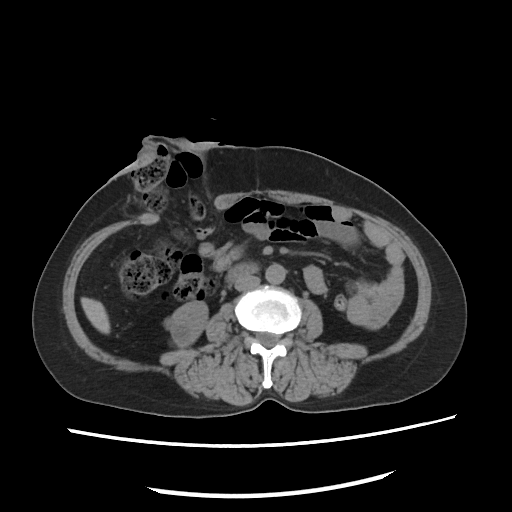 CT abdomen; axial view; soft-tissue window (W 400 / L 40); 56-year-old female patient
One row per box, in pixels: columns x1 and y1 give the top-left corner, x2 and y2 the bottom-right.
| organ | x1 | y1 | x2 | y2 |
|---|---|---|---|---|
| duodenum | 224 | 263 | 258 | 285 |
| right kidney | 163 | 302 | 209 | 347 |
| aorta | 266 | 263 | 284 | 283 |
| inferior vena cava | 232 | 274 | 261 | 290 |
| liver | 80 | 298 | 110 | 333 |